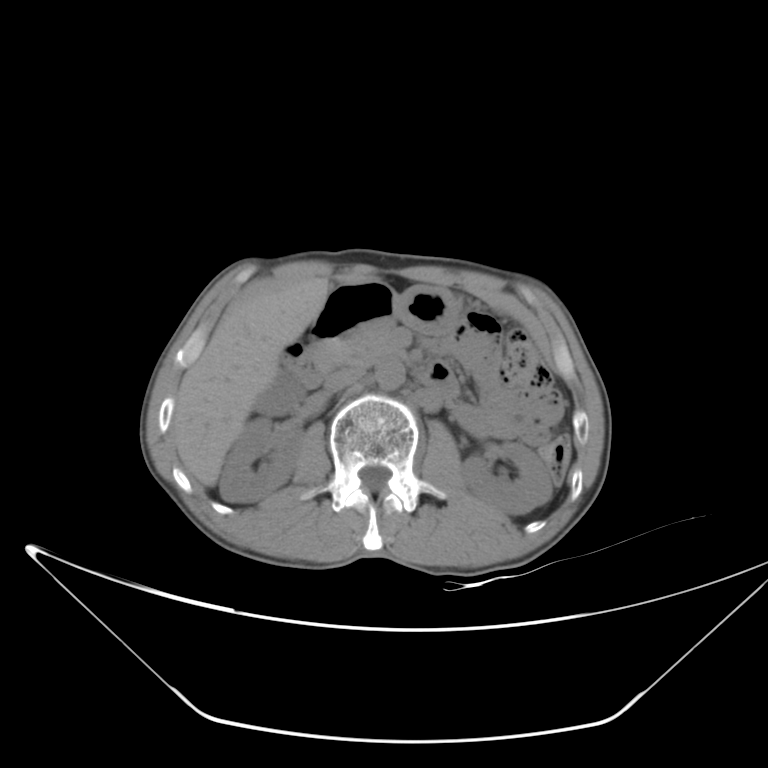 Computed tomography, abdomen — axial plane, index 66 — 63-year-old male patient
{"organs":{"right kidney":[219,414,302,502],"left kidney":[460,442,552,515],"gall bladder":[252,371,304,415],"liver":[171,275,362,486],"stomach":[330,285,462,339],"aorta":[375,359,404,389],"inferior vena cava":[324,367,364,391],"pancreas":[311,324,395,372],"duodenum":[282,280,457,400]}}